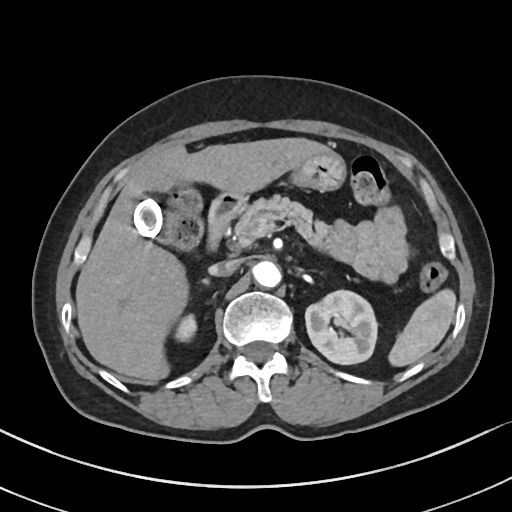

CT abdomen — axial view
One row per box, in pixels: columns x1 and y1 give the top-left corner, x2 and y2 the bottom-right.
| organ | x1 | y1 | x2 | y2 |
|---|---|---|---|---|
| pancreas | 235 | 196 | 333 | 255 |
| left kidney | 305 | 291 | 376 | 364 |
| inferior vena cava | 209 | 260 | 240 | 275 |
| stomach | 294 | 150 | 347 | 192 |
| right kidney | 176 | 315 | 197 | 341 |
| right adrenal gland | 201 | 279 | 214 | 286 |
| duodenum | 207 | 194 | 243 | 245 |
| spleen | 387 | 287 | 456 | 368 |
| liver | 75 | 137 | 329 | 380 |
| gall bladder | 134 | 197 | 170 | 244 |
| aorta | 254 | 261 | 282 | 288 |